CT, abdomen/pelvis · axial view · W/L 400/40 HU · 512x512 px
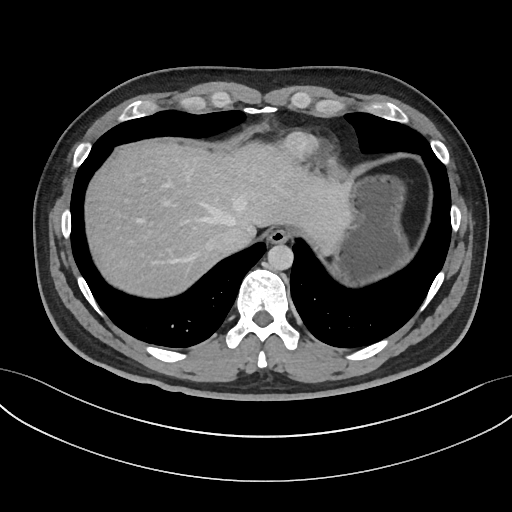

{"organs":{"esophagus":[267,229,288,244],"liver":[87,141,352,295],"stomach":[333,178,405,277],"aorta":[268,244,293,270],"inferior vena cava":[210,225,255,253]}}